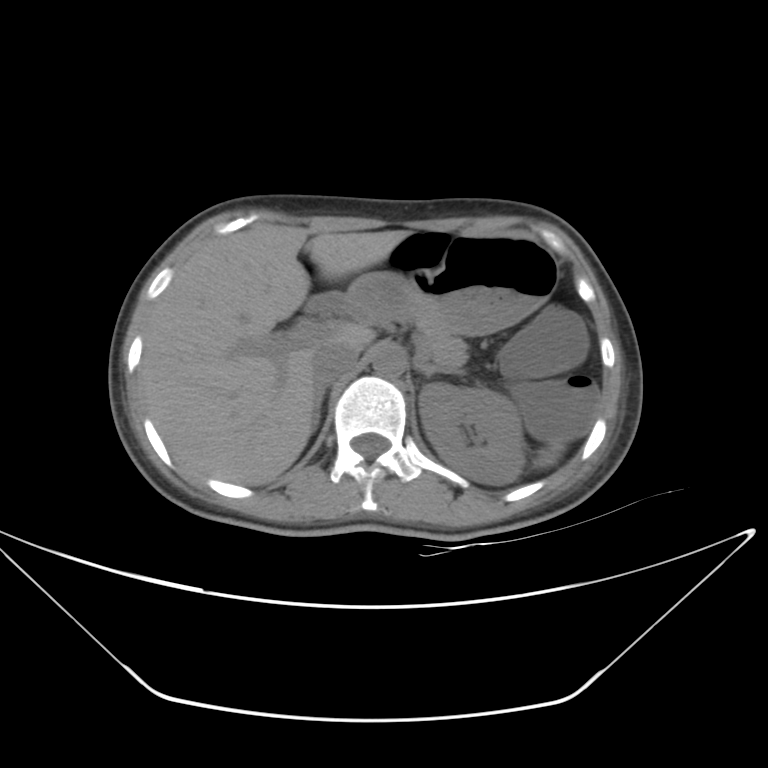

Abdominal CT. axial plane, index 73. soft-tissue window. acquired on Brilliance16. scan has 15 labeled organs (that count is for the whole scan; organs this slice misses have no box)
Coordinates as <box>x1,y1,x2,y2</box> in pixels.
Organ bounding boxes:
- spleen: <box>533,442,563,468</box>
- left kidney: <box>419,383,525,485</box>
- liver: <box>139,223,408,485</box>
- stomach: <box>349,235,557,335</box>
- aorta: <box>372,345,405,377</box>
- inferior vena cava: <box>311,343,360,386</box>
- pancreas: <box>415,312,466,368</box>
- right adrenal gland: <box>311,385,326,433</box>
- left adrenal gland: <box>416,365,461,377</box>
- duodenum: <box>308,294,381,324</box>